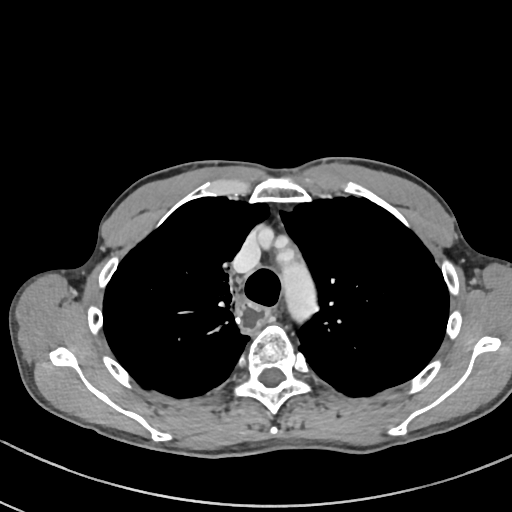
Abdominal CT reaching into the chest; this slice is in the chest · axial view · W/L 400/40 HU
At this level of the chest no structure but the esophagus and the aorta has a label in this dataset, and those two are boxed only where they are labeled.
Organ boxes in pixel coordinates; each row gives the top-left (x1, y1) and bottom-right (x2, y2) corners.
| organ | x1 | y1 | x2 | y2 |
|---|---|---|---|---|
| esophagus | 234 | 296 | 271 | 334 |
| aorta | 281 | 259 | 318 | 321 |